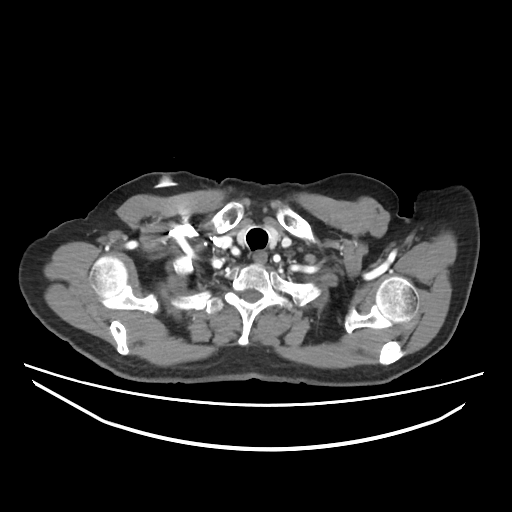

Chest-level CT slice, above the liver and spleen — Axial slice 123/124 — soft-tissue window (W 400 / L 40) — 512x512 px
At this level of the chest this dataset labels only the esophagus and the aorta, and each is boxed only where it is labeled; the heart and lungs are never labeled.
<organs><organ name="esophagus" x1="253" y1="252" x2="265" y2="264"/></organs>